Abdominal MR · coronal view · 260x320 px · scan has 13 labeled organs (that count is for the whole scan; organs this slice misses have no box)
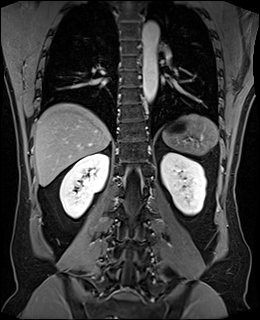
{"organs":{"liver":[34,103,110,186],"left kidney":[160,152,206,215],"aorta":[142,21,159,106],"spleen":[163,114,218,155],"right kidney":[60,153,108,218]}}